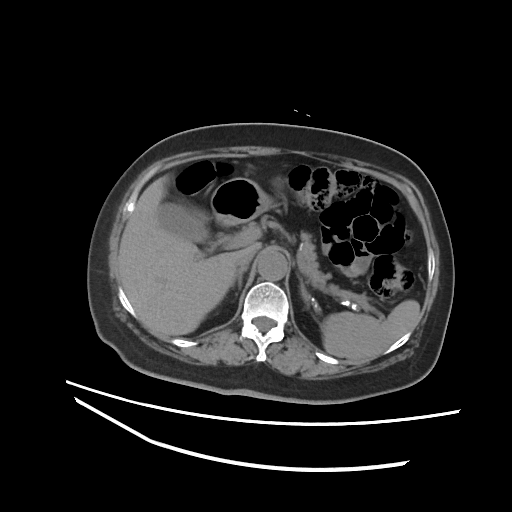
CT abdomen · axial view · soft-tissue window · 57-year-old female patient
Boxes are (x1, y1, x2, y2) in pixels. 10 labeled organs on this slice — spleen at (320, 300, 420, 360); gall bladder at (157, 202, 208, 242); liver at (117, 176, 259, 335); stomach at (211, 178, 272, 224); aorta at (257, 250, 287, 280); inferior vena cava at (235, 249, 257, 269); pancreas at (300, 233, 327, 288); right adrenal gland at (230, 266, 248, 288); left adrenal gland at (300, 277, 307, 300); duodenum at (218, 221, 226, 224).